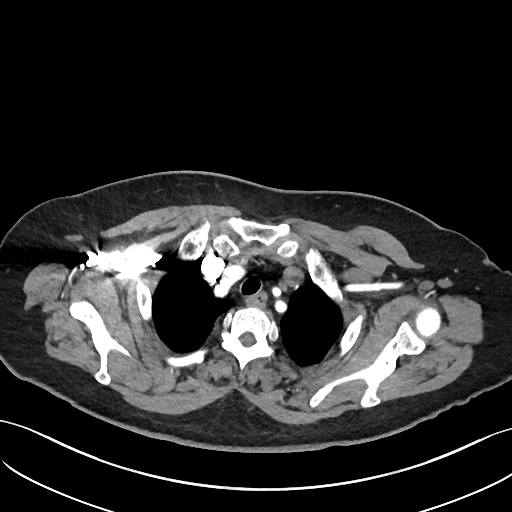

CT of the abdomen extending into the chest, slice through the chest · axial view · soft-tissue window, W/L 400/40
At this level of the chest no structure but the esophagus and the aorta has a label in this dataset, and those two are boxed only where they are labeled.
{"organs":{"esophagus":[246,292,266,307]}}